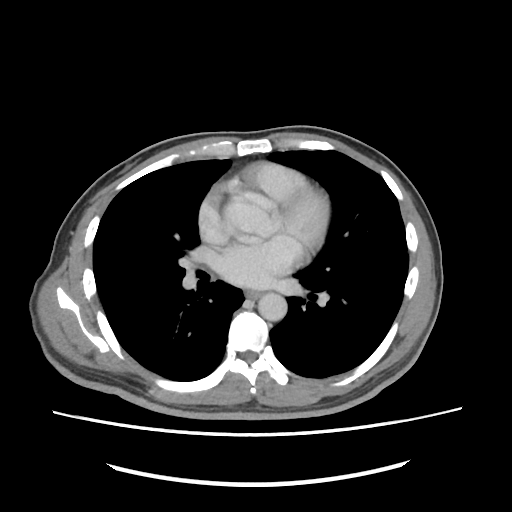 Chest-level CT slice, above the liver and spleen · axial view · 512x512 px · 15 organs annotated in this scan (counted over the whole 3D scan, not this slice; an organ is boxed only where this slice passes through it)
At this level of the chest this dataset labels only the esophagus and the aorta, and each is boxed only where it is labeled; the heart and lungs are never labeled.
Bounding boxes in pixels, one row per box: x1, y1 is the top-left corner and x2, y2 the bottom-right.
| organ | x1 | y1 | x2 | y2 |
|---|---|---|---|---|
| esophagus | 245 | 290 | 260 | 299 |
| aorta | 258 | 292 | 287 | 321 |